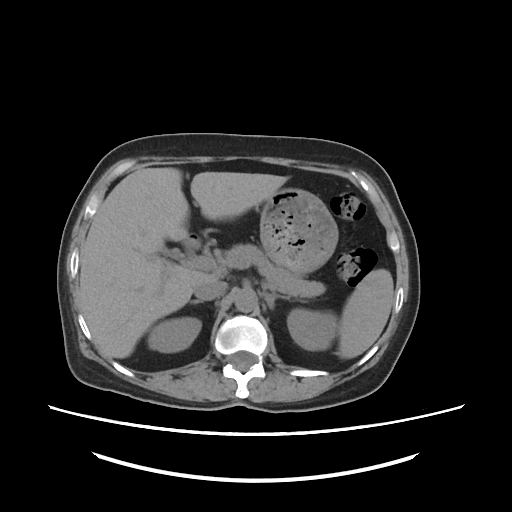
CT, abdomen/pelvis. axial view. W/L 400/40 HU
<organs><organ name="spleen" x1="338" y1="269" x2="394" y2="358"/><organ name="right kidney" x1="148" y1="317" x2="201" y2="353"/><organ name="left kidney" x1="286" y1="308" x2="337" y2="349"/><organ name="gall bladder" x1="164" y1="249" x2="187" y2="258"/><organ name="liver" x1="80" y1="167" x2="287" y2="358"/><organ name="stomach" x1="259" y1="187" x2="338" y2="272"/><organ name="aorta" x1="234" y1="288" x2="257" y2="312"/><organ name="inferior vena cava" x1="195" y1="283" x2="226" y2="300"/><organ name="pancreas" x1="224" y1="244" x2="324" y2="296"/><organ name="right adrenal gland" x1="190" y1="299" x2="203" y2="303"/><organ name="left adrenal gland" x1="265" y1="292" x2="290" y2="309"/></organs>